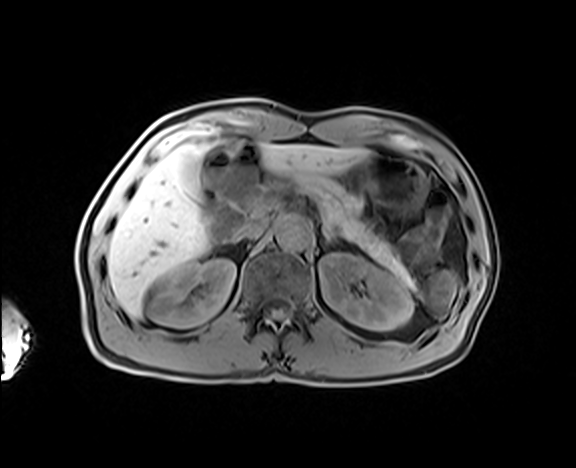

Magnetic resonance imaging, abdomen — axial view — percentile-normalized — 13 organs annotated in this scan (counted over the whole 3D scan, not this slice; an organ is boxed only where this slice passes through it)
<organs><organ name="right kidney" x1="148" y1="259" x2="235" y2="327"/><organ name="left kidney" x1="319" y1="253" x2="413" y2="330"/><organ name="liver" x1="107" y1="144" x2="369" y2="317"/><organ name="stomach" x1="358" y1="153" x2="426" y2="213"/><organ name="aorta" x1="276" y1="217" x2="311" y2="249"/><organ name="inferior vena cava" x1="234" y1="218" x2="267" y2="239"/><organ name="pancreas" x1="309" y1="180" x2="414" y2="288"/><organ name="left adrenal gland" x1="323" y1="228" x2="340" y2="245"/></organs>